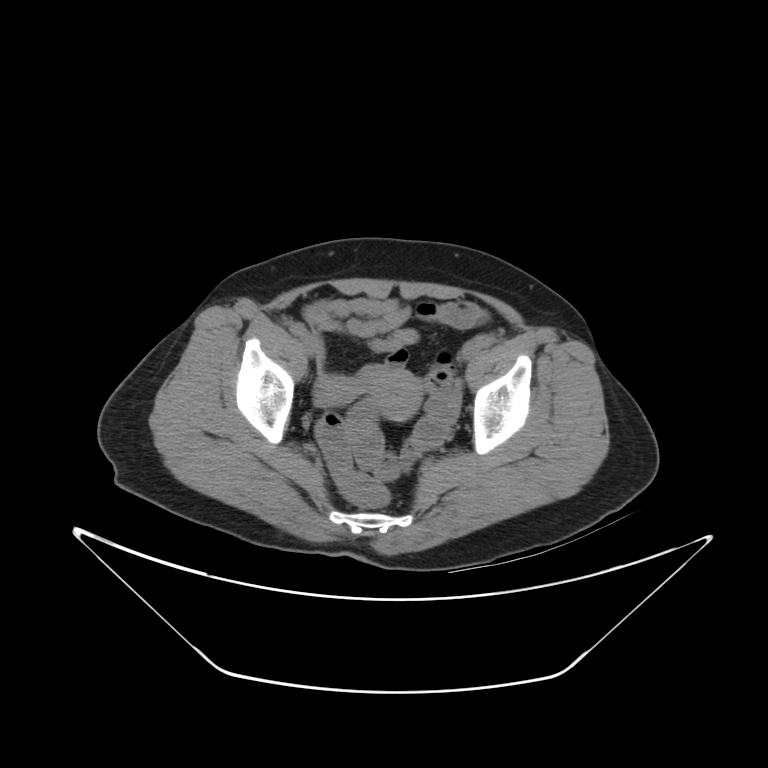

CT abdomen · axial view · 56-year-old female patient · Brilliance16 scanner
Each box given as x1,y1,x2,y2. The annotated organs in this slice are: prostate/uterus at x1=372, y1=369, x2=420, y2=418.